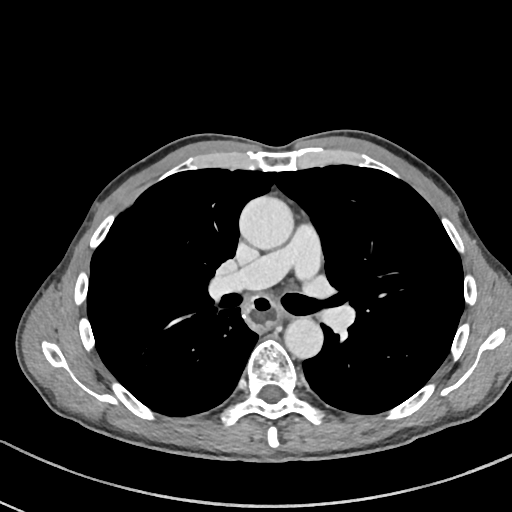 Chest-level slice from an abdominal CT that extends up into the chest — axial plane, index 246 — 512x512 px
At this level of the chest no structure but the esophagus and the aorta has a label in this dataset, and those two are boxed only where they are labeled. Boxes are (x1, y1, x2, y2) in pixels. The annotated organs in this slice are: esophagus at (246, 295, 277, 330), aorta at (239, 196, 294, 250), aorta at (284, 317, 323, 358).